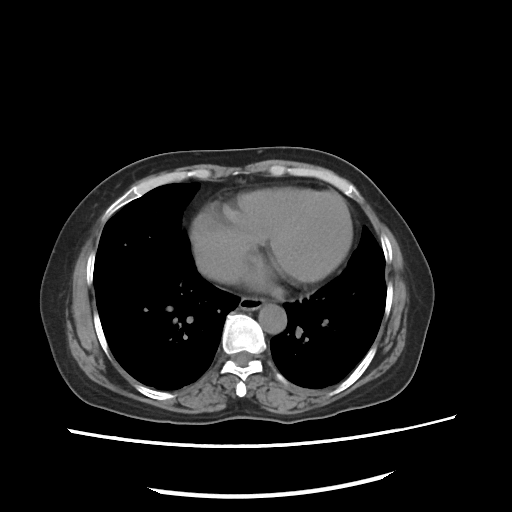

Lower-chest slice from an abdominal CT, just above the liver and spleen · Axial slice 87/88 · soft-tissue window, W/L 400/40 · 56-year-old female patient
The heart and lungs are never labeled in this dataset, so they have no box on this slice.
Bounding boxes in pixels, one row per box: x1, y1 is the top-left corner and x2, y2 the bottom-right.
| organ | x1 | y1 | x2 | y2 |
|---|---|---|---|---|
| esophagus | 239 | 297 | 264 | 309 |
| aorta | 257 | 305 | 286 | 333 |
| inferior vena cava | 197 | 259 | 236 | 281 |